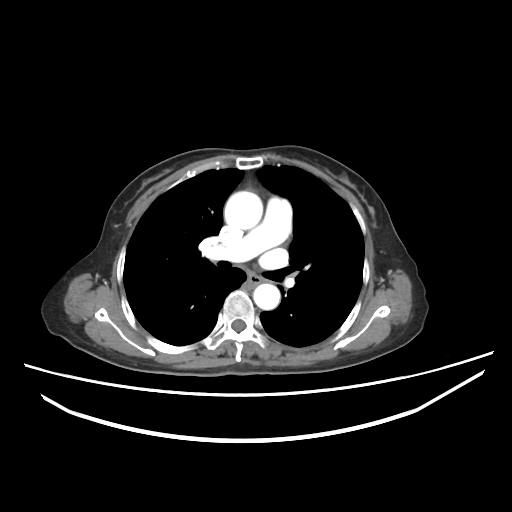

Chest-level CT slice, above the liver and spleen — Axial slice 102/122 — scan has 14 labeled organs (that count is for the whole scan; organs this slice misses have no box)
On a slice this high in the chest, this dataset labels only the esophagus and the aorta, and each is boxed only where it is labeled; the heart, lungs and other chest structures are not labeled.
Box edges are left/top/right/bottom in pixels.
Organ bounding boxes:
- esophagus: left=248, top=275, right=270, bottom=285
- aorta: left=224, top=192, right=261, bottom=230
- aorta: left=254, top=284, right=278, bottom=309